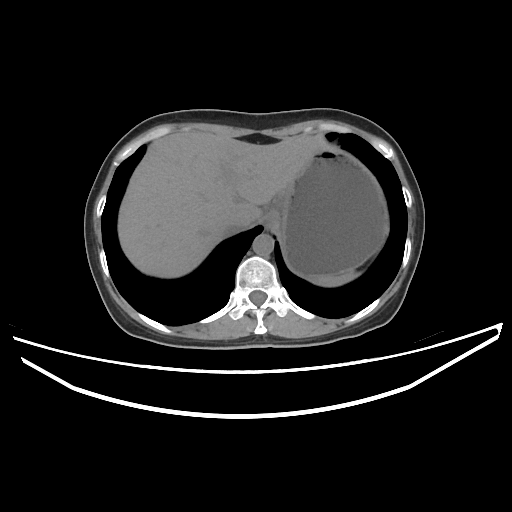

Abdominal CT; axial plane, index 74; 512x512 px; 50-year-old female patient; 15 organs annotated in this scan (that count is for the whole scan; organs this slice misses have no box)
<organs><organ name="spleen" x1="310" y1="271" x2="358" y2="286"/><organ name="esophagus" x1="263" y1="213" x2="275" y2="229"/><organ name="liver" x1="118" y1="131" x2="328" y2="277"/><organ name="stomach" x1="269" y1="147" x2="387" y2="276"/><organ name="aorta" x1="252" y1="234" x2="273" y2="255"/><organ name="inferior vena cava" x1="224" y1="221" x2="253" y2="234"/></organs>